Abdominal CT · Axial slice 77/101 · scan has 15 labeled organs (a whole-scan count: organs this slice does not pass through have no box)
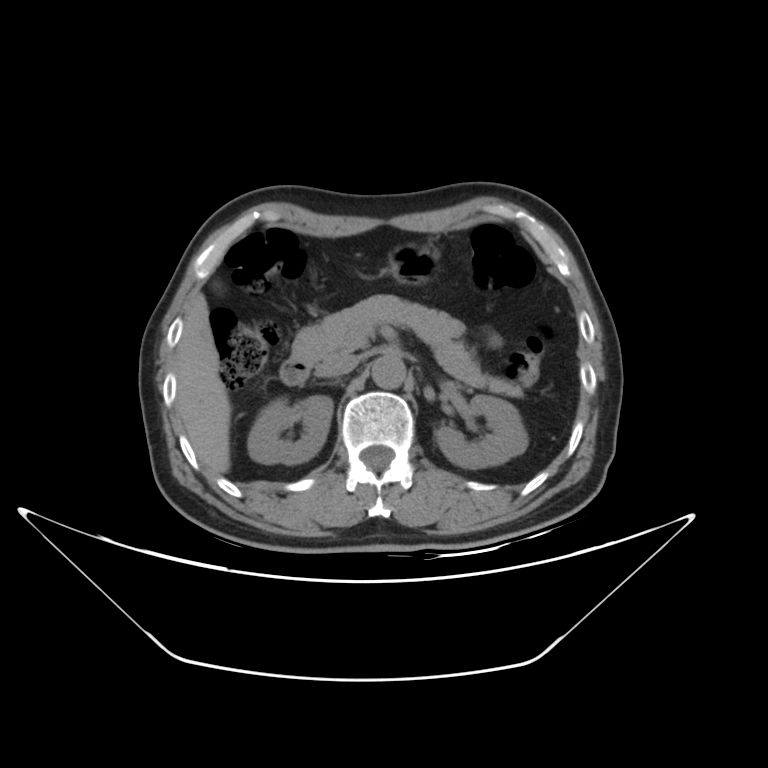
Boxes: x1:y1:x2:y2 in pixels.
right kidney: 248:396:332:463
left kidney: 435:396:528:466
liver: 175:296:230:473
stomach: 389:243:446:285
aorta: 371:355:405:388
inferior vena cava: 317:354:358:376
pancreas: 293:293:525:398
duodenum: 281:359:307:382